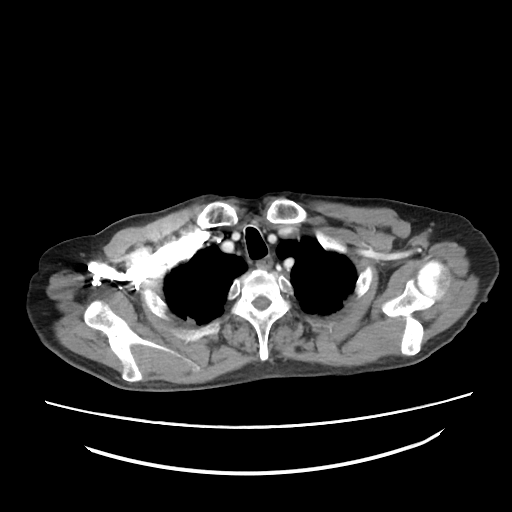

Chest-level slice from an abdominal CT that extends up into the chest; axial view; 512x512 px
At this level of the chest this dataset labels only the esophagus and the aorta, and each is boxed only where it is labeled; the heart and lungs are never labeled.
One row per box, in pixels: columns x1 and y1 give the top-left corner, x2 and y2 the bottom-right.
| organ | x1 | y1 | x2 | y2 |
|---|---|---|---|---|
| esophagus | 256 | 256 | 271 | 268 |